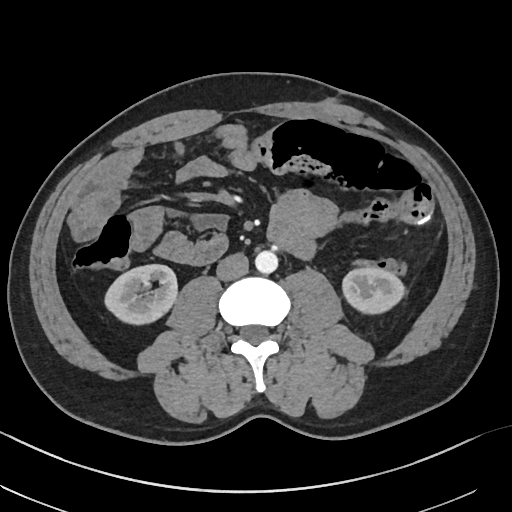
CT, abdomen/pelvis; axial view; 512x512 px
Box edges are left/top/right/bottom in pixels.
aorta: left=255, top=250, right=277, bottom=273
inferior vena cava: left=216, top=253, right=248, bottom=280
left kidney: left=342, top=267, right=404, bottom=313
right kidney: left=104, top=264, right=177, bottom=324